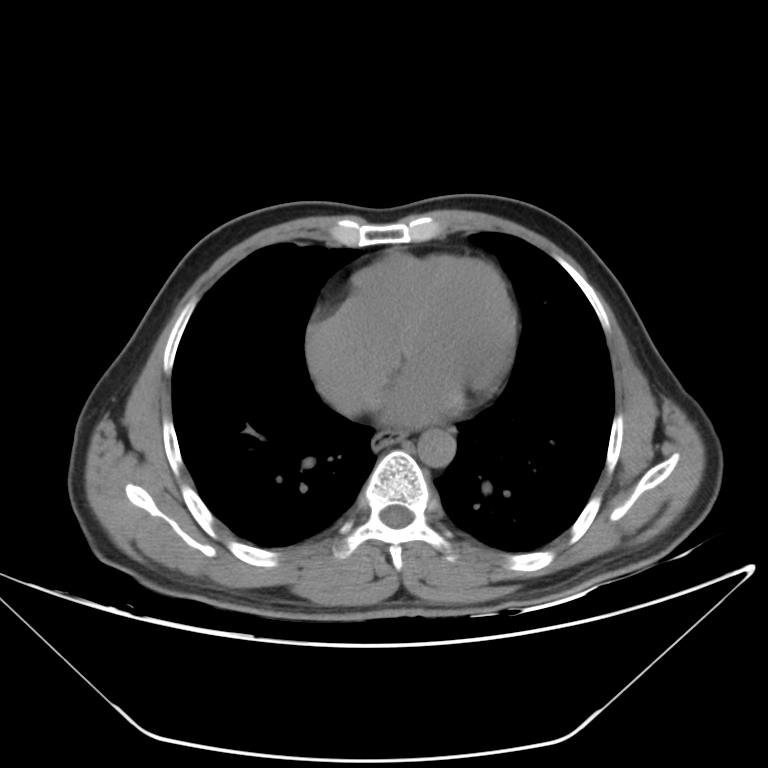 Abdominal CT; this slice is in the lower chest, just above the liver · axial view · soft-tissue window (W 400 / L 40) · 768x768 px · 50-year-old male patient
No part of the heart or lungs is labeled in this dataset, so neither has a box here.
Coordinates as <box>x1,y1,x2,y2</box> in pixels.
esophagus: <box>372,431,405,449</box>
aorta: <box>417,429,455,467</box>